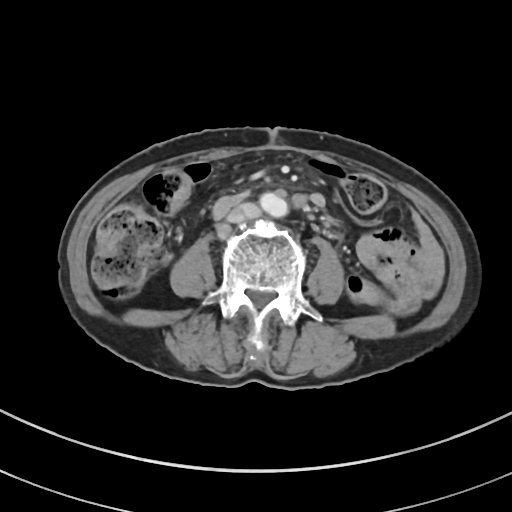

CT abdomen. axial view. soft-tissue window (W 400 / L 40). acquired on SOMATOM Force
Bounding boxes as [x1, y1, x2, y2] in pixel coordinates. The annotated organs in this slice are: inferior vena cava at [228, 203, 260, 221].